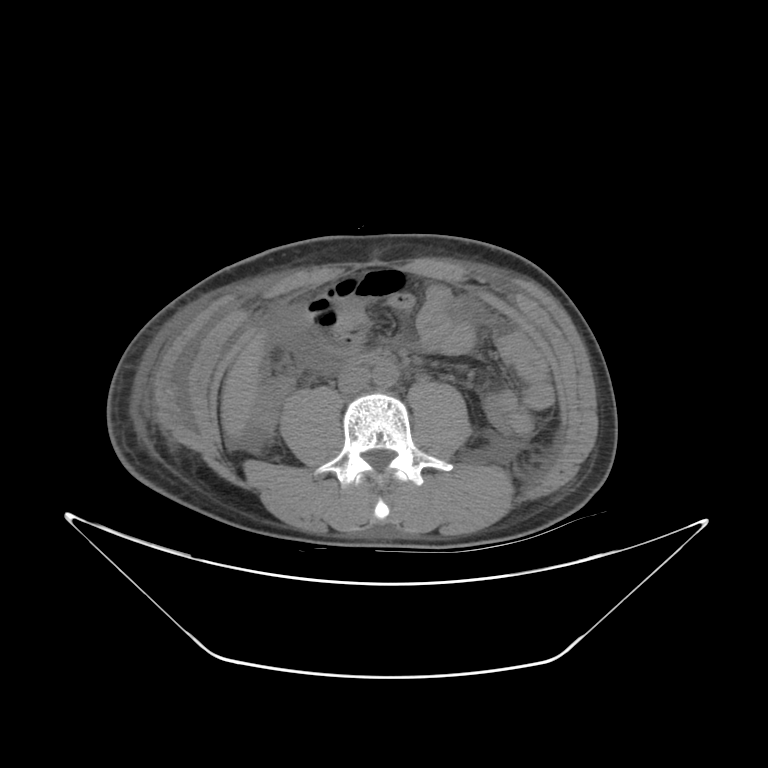 CT, abdomen/pelvis; axial plane, index 49; soft-tissue window; 768x768 px; 39-year-old male patient; Brilliance16 scanner; scan has 15 labeled organs (counted over the whole 3D scan, not this slice; an organ is boxed only where this slice passes through it)
Bounding boxes as [x1, y1, x2, y2] in pixel coordinates.
liver: [222, 333, 264, 432]
aorta: [373, 362, 398, 388]
inferior vena cava: [338, 365, 371, 393]